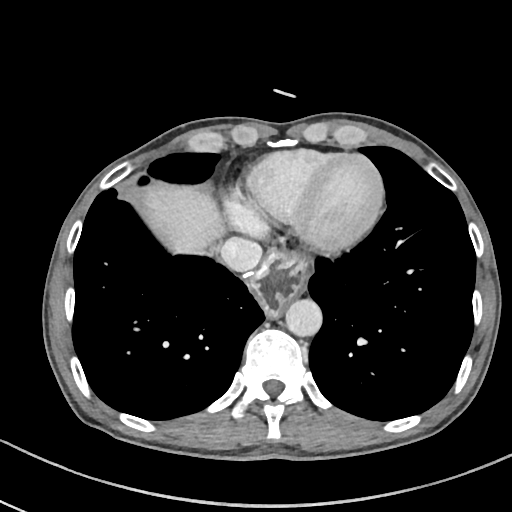

Abdominal CT — axial view — W/L 400/40 HU — acquired on SOMATOM Force — scan has 15 labeled organs (counted over the whole 3D scan, not this slice; an organ is boxed only where this slice passes through it)
Boxes: x1:y1:x2:y2 in pixels. Labeled organs on this slice: esophagus at 251:253:306:316, liver at 142:182:224:251, aorta at 286:300:321:336, inferior vena cava at 220:238:261:271.